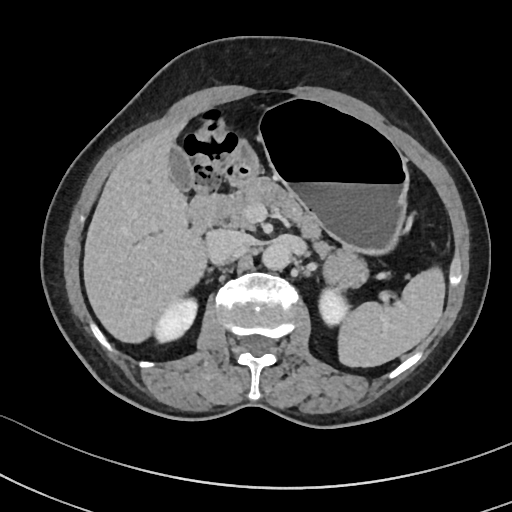

CT abdomen. axial view. 512x512 px. scan has 15 labeled organs (a whole-scan count: organs this slice does not pass through have no box)
<organs><organ name="spleen" x1="338" y1="267" x2="444" y2="367"/><organ name="right kidney" x1="153" y1="297" x2="197" y2="342"/><organ name="left kidney" x1="319" y1="288" x2="349" y2="326"/><organ name="gall bladder" x1="169" y1="145" x2="191" y2="191"/><organ name="liver" x1="83" y1="119" x2="207" y2="342"/><organ name="stomach" x1="224" y1="100" x2="408" y2="253"/><organ name="aorta" x1="262" y1="242" x2="291" y2="270"/><organ name="inferior vena cava" x1="206" y1="229" x2="248" y2="264"/><organ name="pancreas" x1="203" y1="177" x2="368" y2="288"/><organ name="duodenum" x1="188" y1="166" x2="250" y2="235"/></organs>